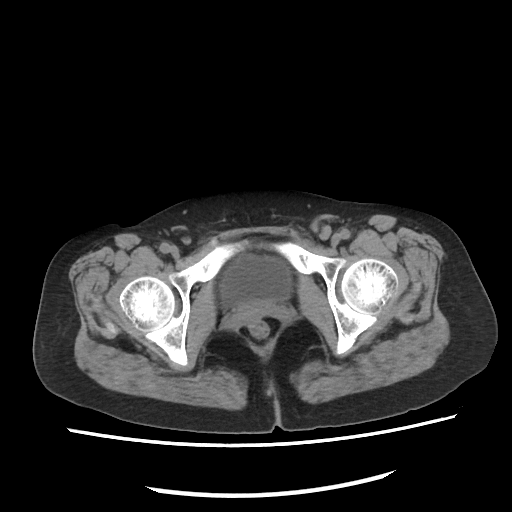

Computed tomography, abdomen — axial view — abdomen soft-tissue window — 512x512 px — 15 organs annotated in this scan (that count is for the whole scan; organs this slice misses have no box)
<organs><organ name="bladder" x1="220" y1="254" x2="288" y2="306"/></organs>